Computed tomography, abdomen — axial view — acquired on SOMATOM Force — scan has 15 labeled organs (a whole-scan count: organs this slice does not pass through have no box)
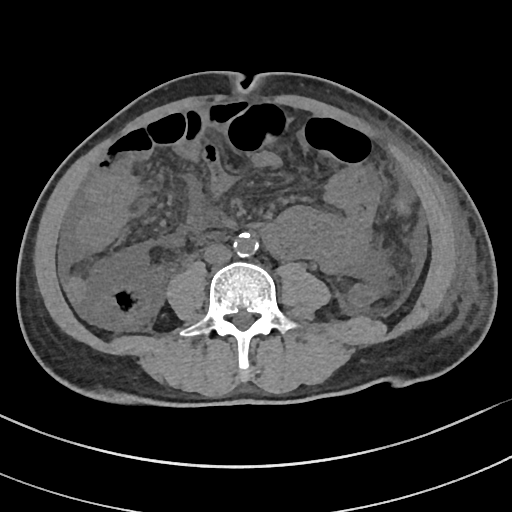
Each box given as x1,y1,x2,y2.
Organ bounding boxes:
- aorta: x1=234, y1=232, x2=259, y2=257
- inferior vena cava: x1=204, y1=244, x2=232, y2=263
- spleen: x1=393, y1=196, x2=411, y2=215